Abdominal CT; axial view; W/L 400/40 HU
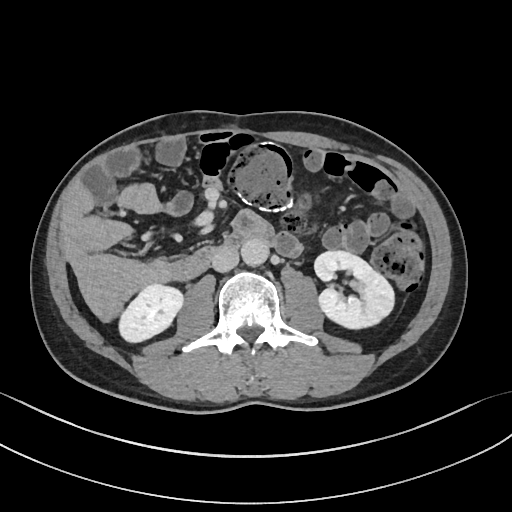
One row per box, in pixels: columns x1 and y1 give the top-left corner, x2 and y2 the bottom-right.
| organ | x1 | y1 | x2 | y2 |
|---|---|---|---|---|
| right kidney | 121 | 286 | 182 | 340 |
| left kidney | 314 | 250 | 393 | 328 |
| aorta | 241 | 238 | 269 | 266 |
| inferior vena cava | 212 | 244 | 238 | 271 |
| duodenum | 171 | 233 | 275 | 279 |